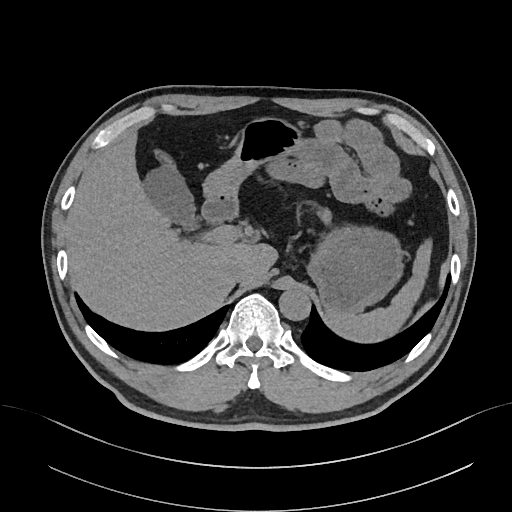

Computed tomography, abdomen · Axial slice 209/265 · acquired on SOMATOM Force
Boxes: x1 y1 x2 y2 (pixel coords, space-separated).
spleen: 329 239 432 342
gall bladder: 142 165 198 230
liver: 65 135 277 330
stomach: 203 117 404 315
aorta: 279 288 310 320
inferior vena cava: 223 259 247 282
duodenum: 202 196 237 222